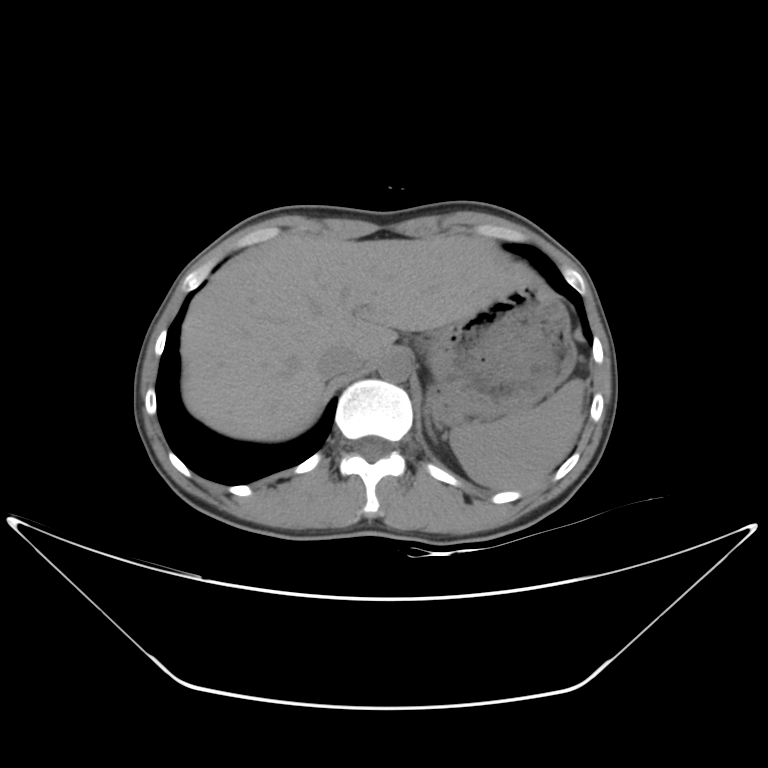
Abdominal CT — axial view
<organs><organ name="spleen" x1="450" y1="378" x2="584" y2="488"/><organ name="liver" x1="180" y1="233" x2="538" y2="441"/><organ name="stomach" x1="426" y1="284" x2="576" y2="424"/><organ name="aorta" x1="378" y1="353" x2="411" y2="382"/><organ name="inferior vena cava" x1="318" y1="345" x2="365" y2="377"/><organ name="left adrenal gland" x1="425" y1="411" x2="435" y2="441"/></organs>